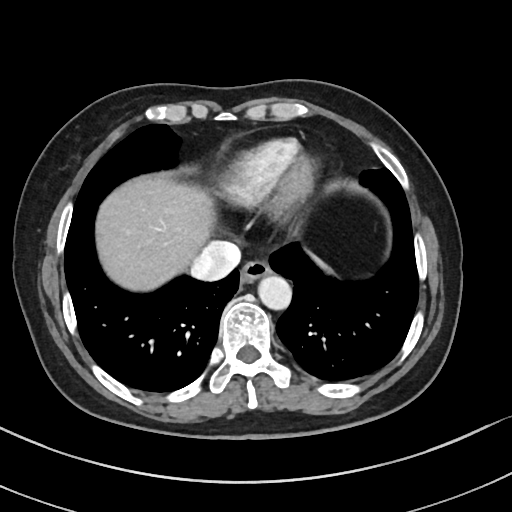
CT, abdomen/pelvis · Axial slice 218/314 · 512x512 px
Each box given as x1,y1,x2,y2. The annotated organs in this slice are: aorta at x1=259, y1=276, x2=292, y2=311, inferior vena cava at x1=191, y1=239, x2=240, y2=279, liver at x1=98, y1=178, x2=215, y2=290, esophagus at x1=240, y1=261, x2=270, y2=284.